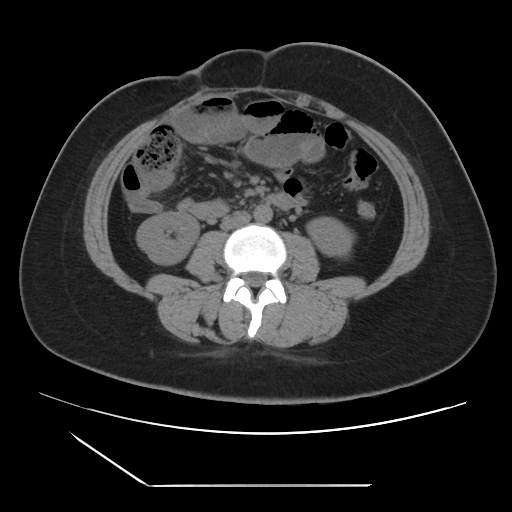
CT abdomen. axial view. soft-tissue window (W 400 / L 40). 512x512 px
Bounding boxes in pixels, one row per box: x1, y1 is the top-left corner and x2, y2 the bottom-right.
| organ | x1 | y1 | x2 | y2 |
|---|---|---|---|---|
| right kidney | 136 | 211 | 199 | 264 |
| left kidney | 307 | 217 | 354 | 256 |
| aorta | 253 | 205 | 272 | 222 |
| inferior vena cava | 220 | 212 | 250 | 230 |
| duodenum | 267 | 193 | 289 | 207 |